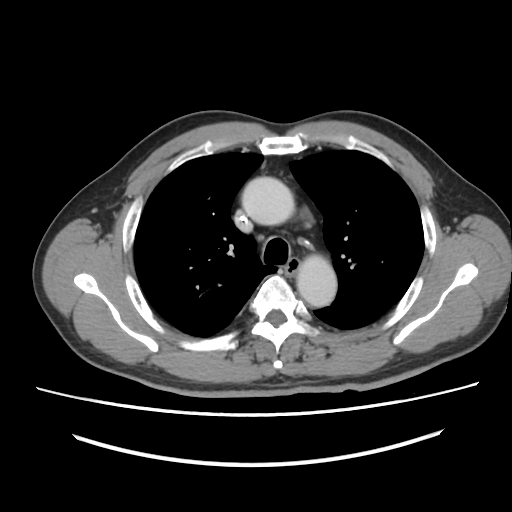
Chest-level slice from an abdominal CT that extends up into the chest; axial view; W/L 400/40 HU; 512x512 px
At this level of the chest this dataset labels only the esophagus and the aorta, and each is boxed only where it is labeled; the heart and lungs are never labeled.
Bounding boxes in pixels, one row per box: x1, y1 is the top-left corner and x2, y2 the bottom-right.
| organ | x1 | y1 | x2 | y2 |
|---|---|---|---|---|
| esophagus | 285 | 259 | 300 | 275 |
| aorta | 242 | 177 | 294 | 225 |
| aorta | 296 | 255 | 336 | 306 |